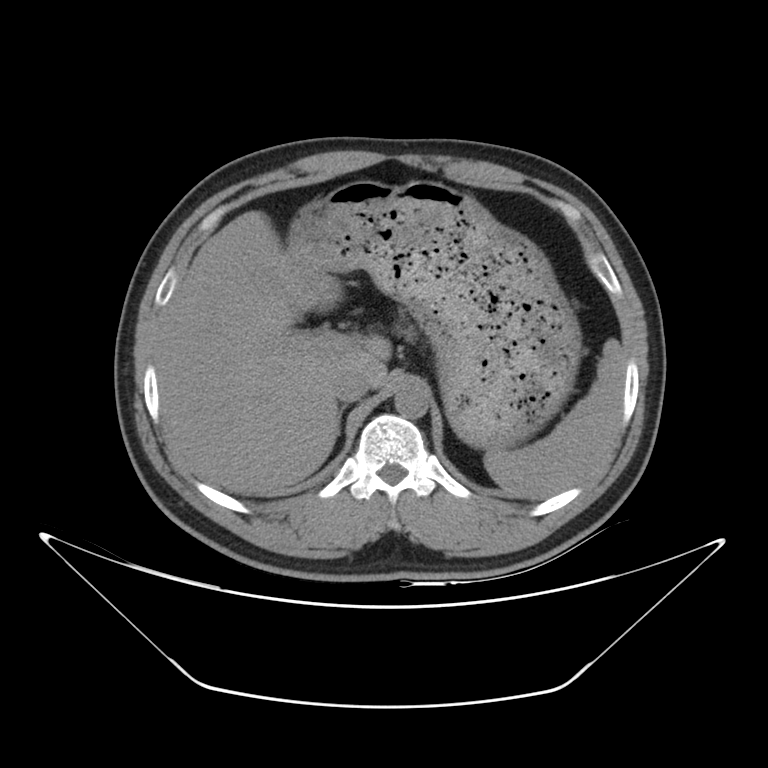

Computed tomography, abdomen; axial plane, index 85; 768x768 px
<organs><organ name="inferior vena cava" x1="332" y1="368" x2="369" y2="402"/><organ name="liver" x1="153" y1="211" x2="390" y2="494"/><organ name="pancreas" x1="407" y1="329" x2="411" y2="335"/><organ name="spleen" x1="484" y1="338" x2="624" y2="499"/><organ name="stomach" x1="287" y1="180" x2="580" y2="449"/><organ name="right adrenal gland" x1="337" y1="405" x2="345" y2="434"/><organ name="aorta" x1="394" y1="383" x2="429" y2="418"/></organs>